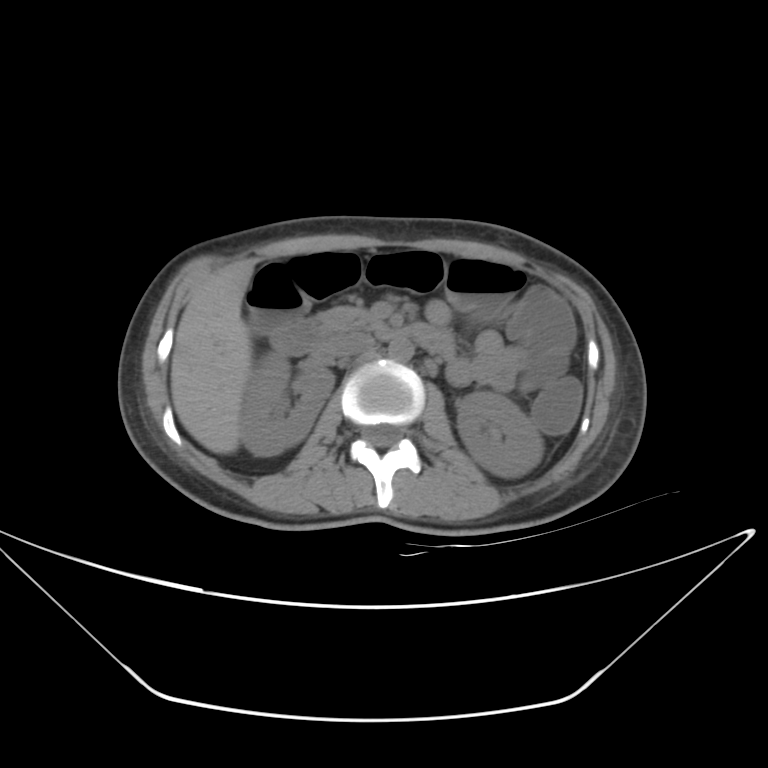
CT, abdomen/pelvis — axial view — soft-tissue window — 768x768 px — acquired on Brilliance16 — scan has 15 labeled organs (counted over the whole 3D scan, not this slice; an organ is boxed only where this slice passes through it)
{"organs":{"left kidney":[457,391,544,476],"inferior vena cava":[323,333,374,357],"duodenum":[270,318,455,355],"pancreas":[317,307,388,330],"right kidney":[241,350,333,456],"aorta":[388,337,414,361],"liver":[171,260,252,453]}}